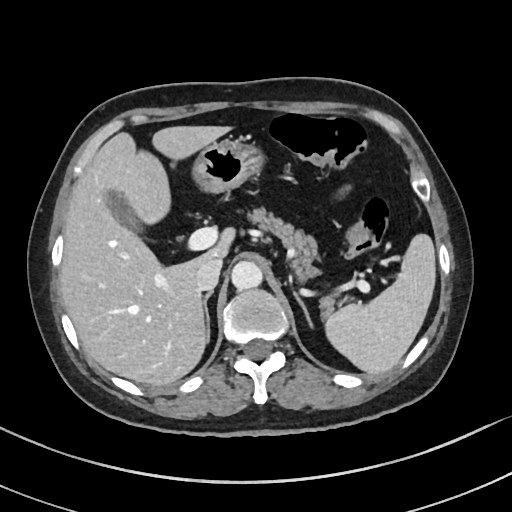 CT abdomen · Axial slice 185/314 · 512x512 px · SOMATOM Force scanner
Boxes: x1:y1:x2:y2 in pixels.
Organ bounding boxes:
- spleen: 325:234:434:374
- gall bladder: 107:193:137:227
- liver: 60:124:236:386
- stomach: 195:137:262:191
- aorta: 231:261:262:291
- inferior vena cava: 195:258:222:291
- pancreas: 252:211:334:316
- right adrenal gland: 204:293:212:342
- left adrenal gland: 291:290:311:327